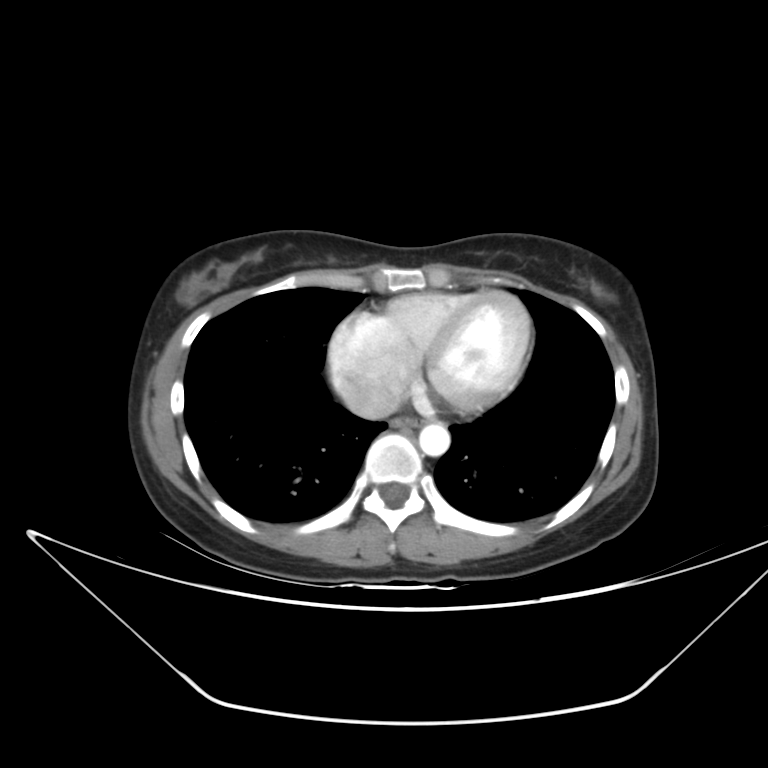 CT of the abdomen reaching into the lower chest, slice just above the liver and spleen · axial view · soft-tissue window · 34-year-old female patient
Of the structures in the chest, this dataset labels only the esophagus, the aorta and the inferior vena cava; the heart and lungs have no label.
Coordinates as <box>x1,y1,x2,y2</box> in pixels.
Organ bounding boxes:
- esophagus: <box>391,416,420,429</box>
- aorta: <box>418,424,449,456</box>
- inferior vena cava: <box>343,382,400,420</box>